CT, abdomen/pelvis. axial view
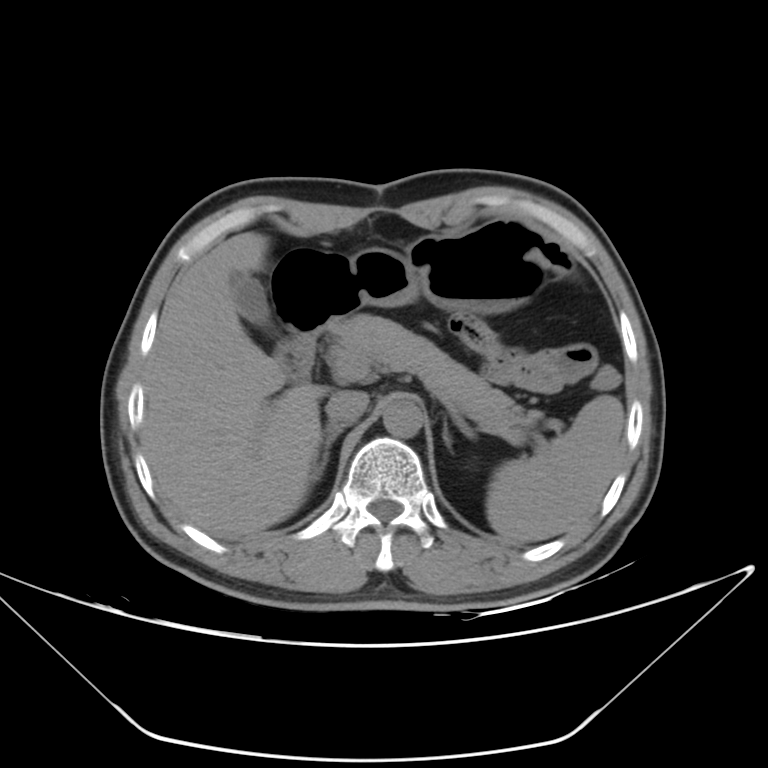

One row per box, in pixels: columns x1 and y1 give the top-left corner, x2 and y2 the bottom-right.
| organ | x1 | y1 | x2 | y2 |
|---|---|---|---|---|
| pancreas | 330 | 314 | 538 | 443 |
| aorta | 382 | 397 | 423 | 437 |
| left adrenal gland | 442 | 419 | 450 | 445 |
| inferior vena cava | 326 | 390 | 368 | 422 |
| liver | 142 | 232 | 326 | 539 |
| right adrenal gland | 315 | 421 | 351 | 478 |
| gall bladder | 230 | 271 | 274 | 332 |
| stomach | 271 | 224 | 544 | 333 |
| spleen | 486 | 395 | 624 | 542 |
| duodenum | 278 | 329 | 321 | 381 |